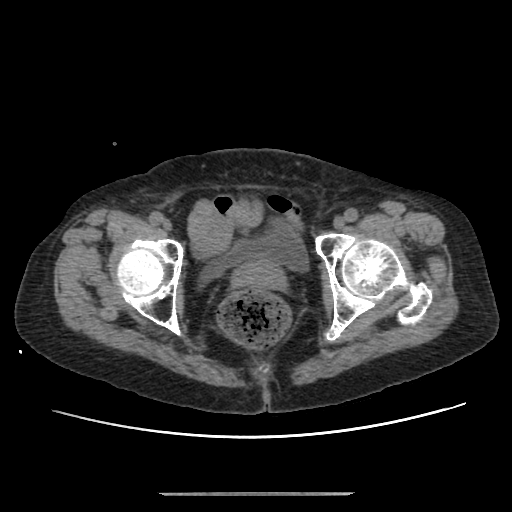
Computed tomography, abdomen; axial plane, index 56
<organs><organ name="bladder" x1="205" y1="220" x2="306" y2="277"/><organ name="prostate/uterus" x1="230" y1="256" x2="287" y2="291"/></organs>